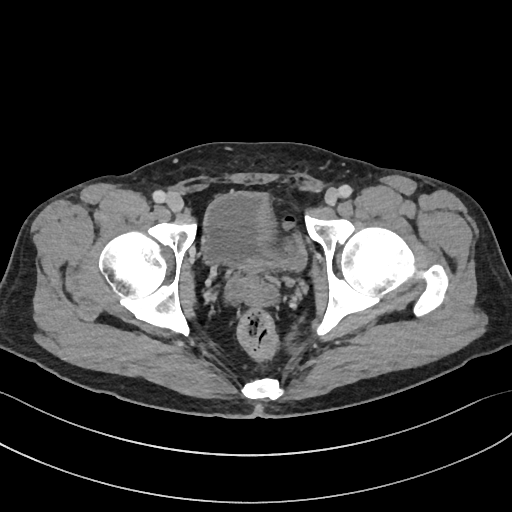

CT, abdomen/pelvis; axial plane, index 36; abdomen soft-tissue window
Boxes: x1:y1:x2:y2 in pixels.
Organ bounding boxes:
- bladder: 202:192:306:272